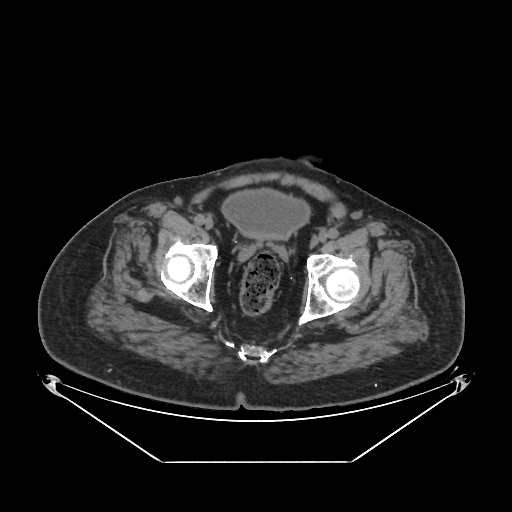 CT, abdomen/pelvis · axial plane, index 50 · 512x512 px
Boxes: x1:y1:x2:y2 in pixels. The annotated organs in this slice are: bladder at 221:189:309:238.